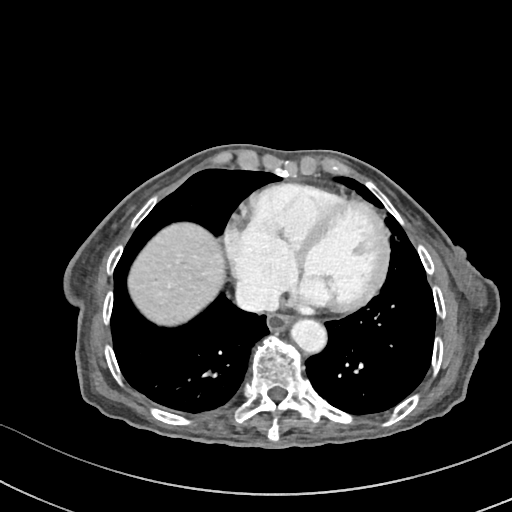
Abdominal CT; Axial slice 221/236
<organs><organ name="esophagus" x1="266" y1="312" x2="291" y2="331"/><organ name="liver" x1="127" y1="222" x2="226" y2="325"/><organ name="aorta" x1="289" y1="318" x2="325" y2="352"/><organ name="inferior vena cava" x1="235" y1="280" x2="278" y2="312"/></organs>